CT, abdomen/pelvis; axial view; 50-year-old male patient
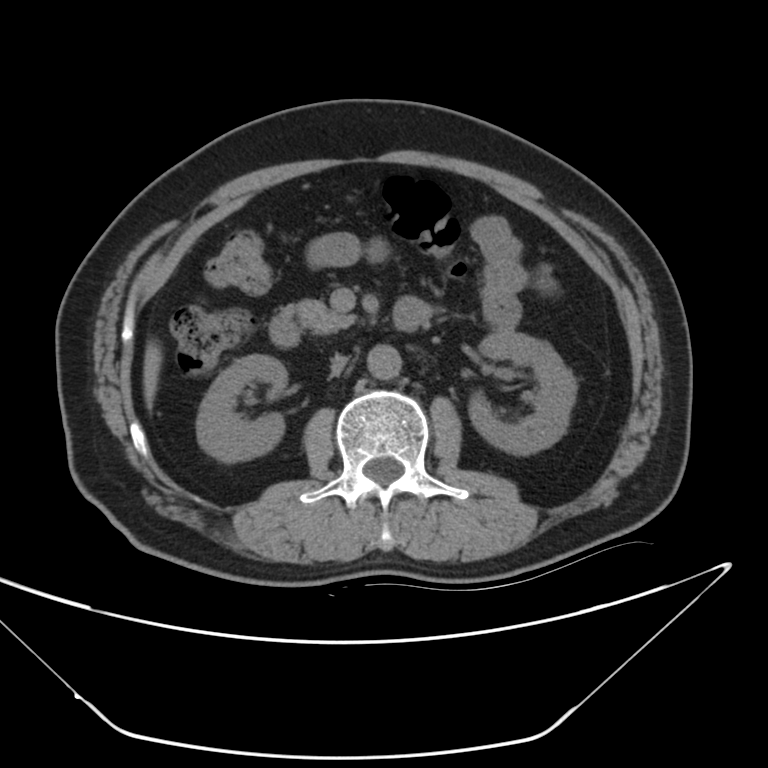

Box edges are left/top/right/bottom in pixels. Labeled organs on this slice: right kidney at left=194, top=353, right=285, bottom=463, left kidney at left=468, top=334, right=575, bottom=455, liver at left=142, top=343, right=161, bottom=407, aorta at left=369, top=345, right=402, bottom=378, inferior vena cava at left=331, top=357, right=347, bottom=377, pancreas at left=295, top=299, right=353, bottom=334, duodenum at left=273, top=297, right=432, bottom=345.